Computed tomography, abdomen. axial view. W/L 400/40 HU
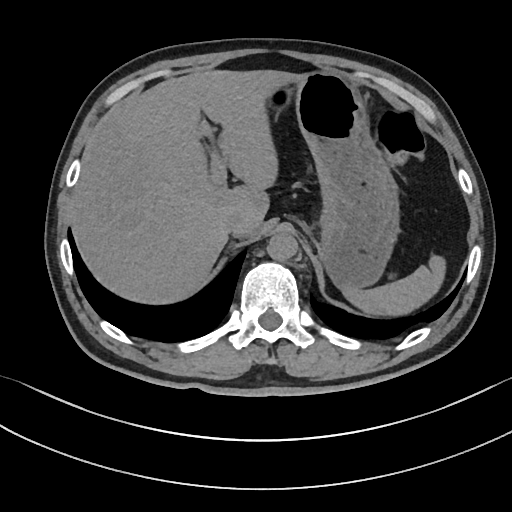 {"organs":{"spleen":[346,255,446,313],"liver":[71,70,305,301],"stomach":[298,72,400,290],"aorta":[267,231,298,261],"inferior vena cava":[223,211,245,236]}}